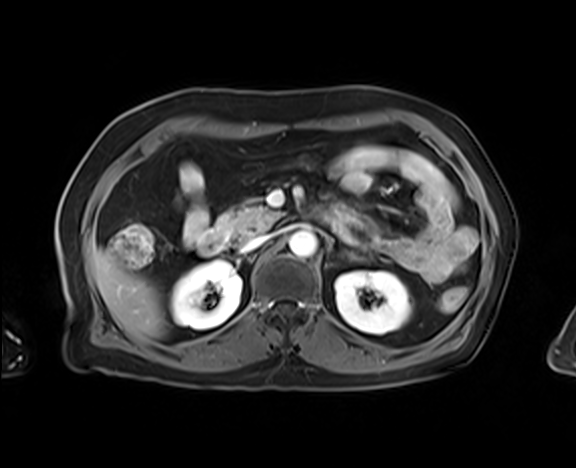

Magnetic resonance imaging, abdomen. axial view. percentile-normalized
Bounding boxes as [x1, y1, x2, y2] in pixel coordinates. 8 labeled organs on this slice — right kidney at [171, 261, 242, 329]; left kidney at [335, 271, 411, 333]; liver at [92, 250, 165, 337]; aorta at [289, 231, 317, 258]; inferior vena cava at [243, 235, 271, 251]; pancreas at [217, 205, 278, 238]; left adrenal gland at [341, 249, 366, 260]; duodenum at [198, 206, 233, 255].